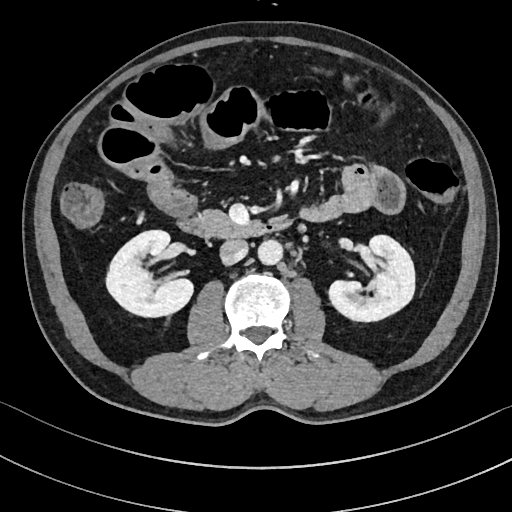
Computed tomography, abdomen; Axial slice 136/232; 512x512 px; SOMATOM Force scanner
<organs><organ name="right kidney" x1="106" y1="230" x2="193" y2="317"/><organ name="left kidney" x1="328" y1="235" x2="415" y2="321"/><organ name="aorta" x1="257" y1="239" x2="282" y2="264"/><organ name="inferior vena cava" x1="220" y1="238" x2="247" y2="265"/><organ name="pancreas" x1="198" y1="210" x2="230" y2="226"/><organ name="duodenum" x1="177" y1="217" x2="292" y2="237"/></organs>